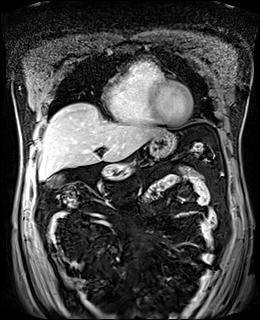
Magnetic resonance imaging, abdomen — coronal view — 260x320 px
Coordinates as <box>x1,y1,x2,y2</box> in pixels. Labeled organs on this slice: gall bladder at <box>47,176,63,187</box>, stomach at <box>100,131,176,179</box>, liver at <box>38,103,163,179</box>.